CT abdomen; axial view; soft-tissue window (W 400 / L 40); 768x768 px
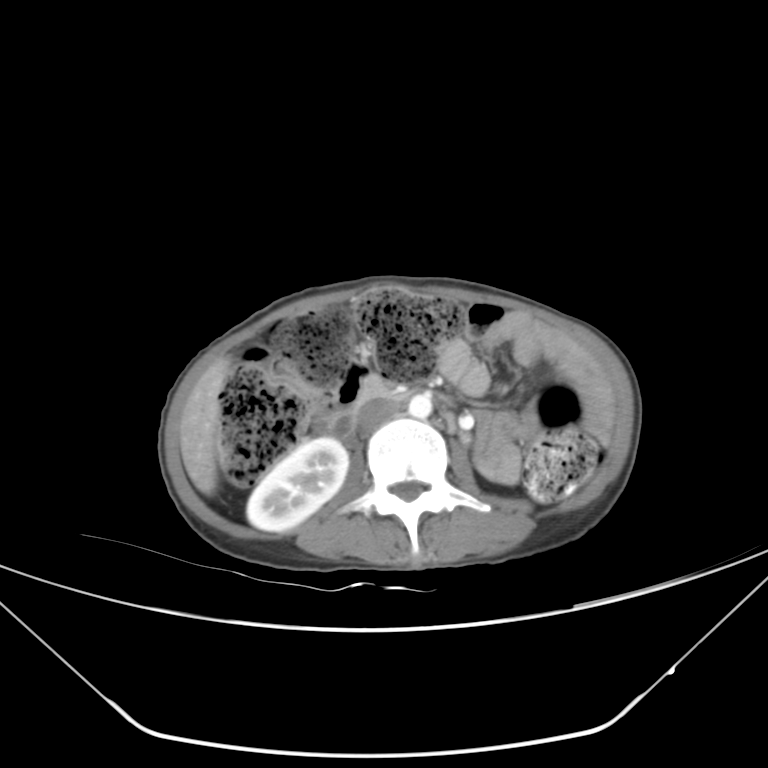 {"organs":{"liver":[180,359,229,495],"aorta":[408,394,431,418],"inferior vena cava":[359,399,400,429],"duodenum":[348,376,406,429],"right kidney":[246,437,348,531]}}